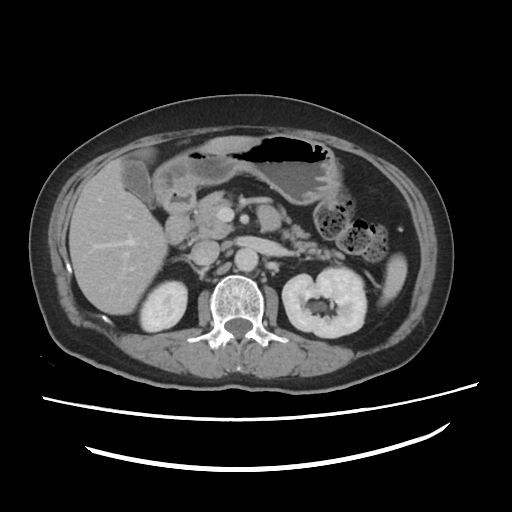

Abdominal CT. axial view
Boxes: x1:y1:x2:y2 in pixels.
right kidney: 140:280:187:331
inferior vena cava: 189:240:219:266
spleen: 379:254:407:306
duodenum: 162:188:194:246
gall bladder: 122:160:153:206
stomach: 153:133:340:212
left kidney: 282:267:367:337
pancreas: 193:190:340:258
liver: 69:137:257:314
aorta: 234:248:257:270